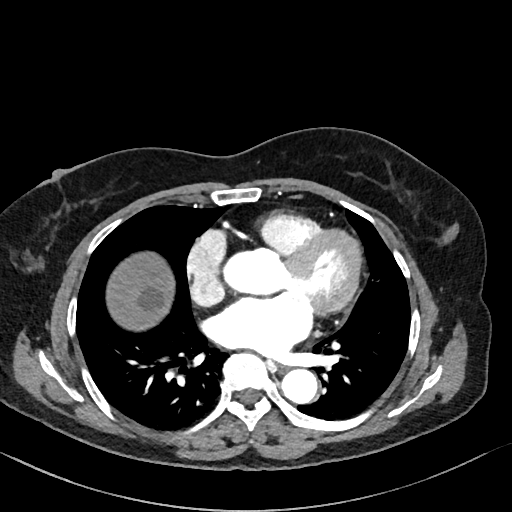
CT abdomen — axial view — scan has 15 labeled organs (that count is for the whole scan; organs this slice misses have no box)
{"organs":{"esophagus":[278,365,288,372],"liver":[106,251,174,331],"aorta":[281,369,317,404]}}